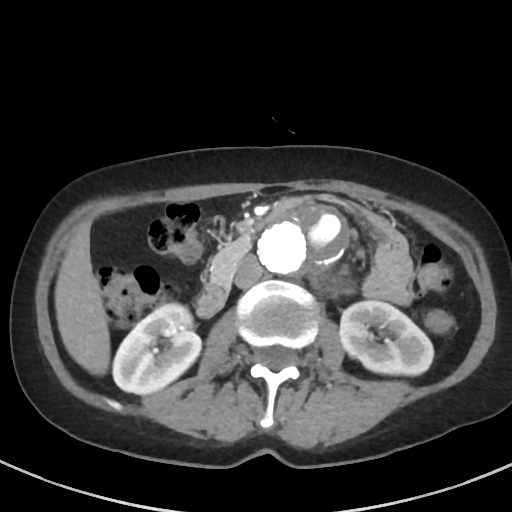
Computed tomography, abdomen · axial view
Boxes: x1 y1 x2 y2 (pixel coords, space-separated).
Organ bounding boxes:
- right kidney: 112 303 200 394
- left kidney: 340 300 433 375
- liver: 54 227 110 375
- aorta: 255 205 346 276
- inferior vena cava: 234 255 262 288
- pancreas: 209 235 251 283
- duodenum: 196 282 227 316